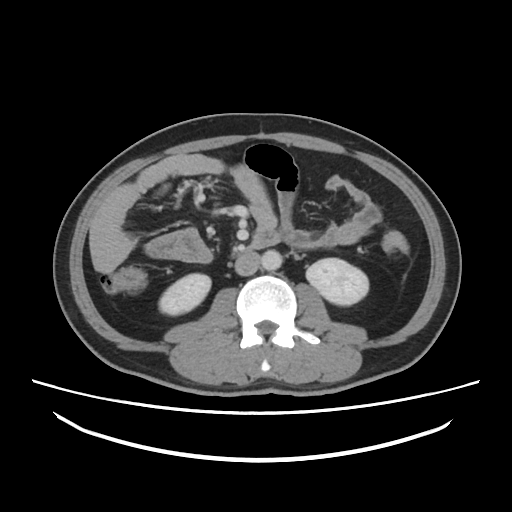

CT abdomen; Axial slice 59/133; soft-tissue window (W 400 / L 40); 512x512 px
Bounding boxes as [x1, y1, x2, y2] in pixel coordinates.
Organ bounding boxes:
- right kidney: [159, 273, 211, 315]
- left kidney: [306, 258, 368, 305]
- aorta: [261, 250, 282, 270]
- inferior vena cava: [234, 250, 260, 276]
- duodenum: [249, 225, 279, 249]